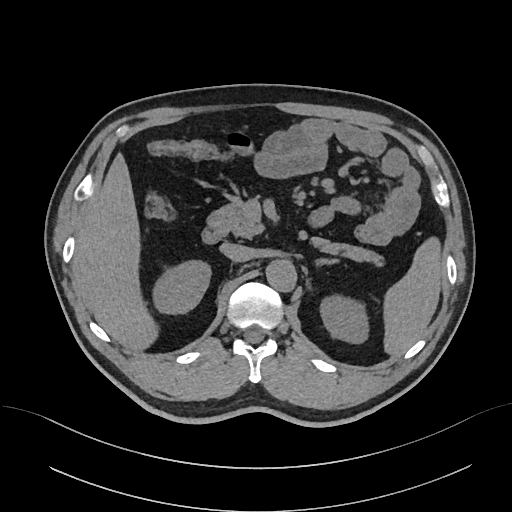 Abdominal CT · axial view · soft-tissue window · acquired on SOMATOM Force
Boxes: x1 y1 x2 y2 (pixel coords, space-separated). 9 labeled organs on this slice — right kidney at 155 262 210 313; left kidney at 320 295 370 342; pancreas at 206 204 383 266; aorta at 267 260 297 293; left adrenal gland at 314 258 338 268; inferior vena cava at 220 244 253 263; duodenum at 201 228 223 244; spleen at 384 237 443 355; liver at 73 152 162 350.